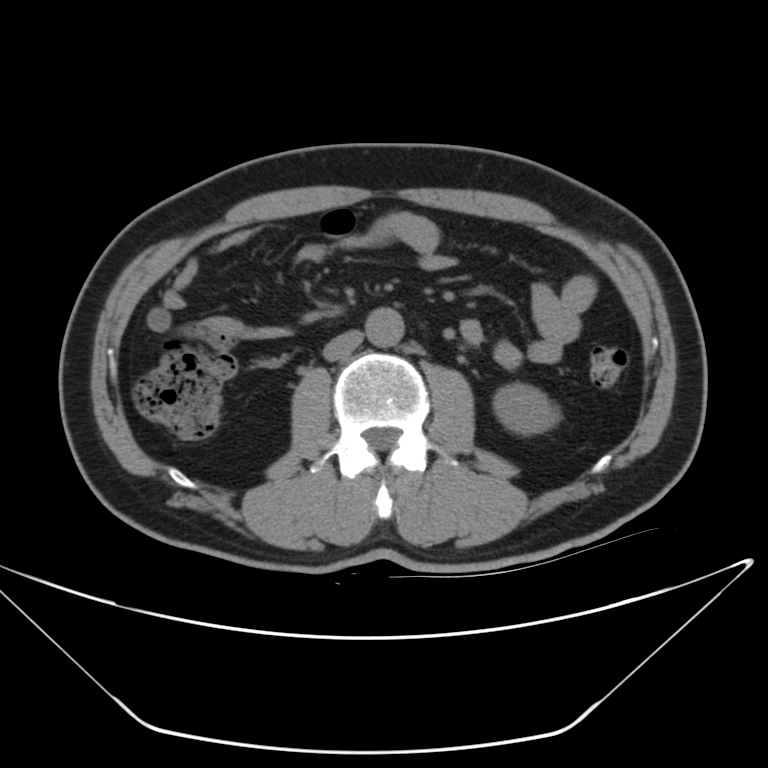

Computed tomography, abdomen · Axial slice 65/112
<organs><organ name="left kidney" x1="494" y1="385" x2="559" y2="431"/><organ name="aorta" x1="366" y1="305" x2="405" y2="347"/><organ name="inferior vena cava" x1="323" y1="331" x2="362" y2="361"/></organs>